Abdominal CT · axial view · Aquilion ONE scanner · scan has 15 labeled organs (a whole-scan count: organs this slice does not pass through have no box)
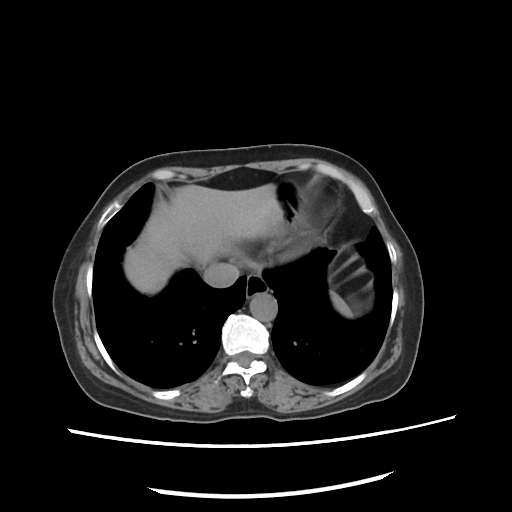

Bounding boxes as [x1, y1, x2, y2] in pixel coordinates.
Organ bounding boxes:
- spleen: [331, 292, 357, 318]
- esophagus: [244, 274, 269, 300]
- liver: [124, 184, 282, 293]
- stomach: [276, 181, 304, 232]
- aorta: [249, 292, 277, 322]
- inferior vena cava: [203, 259, 240, 287]